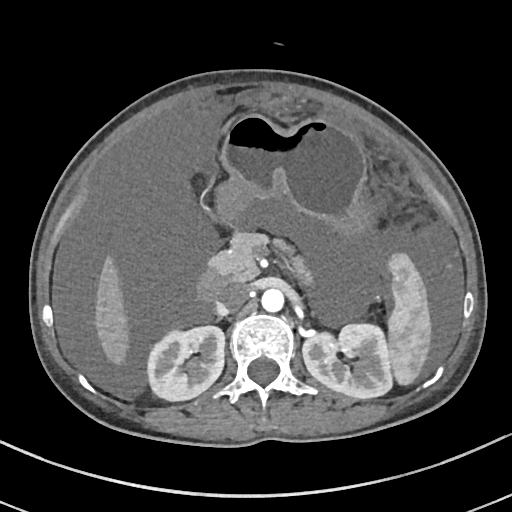
CT, abdomen/pelvis. Axial slice 154/237. 512x512 px
<organs><organ name="spleen" x1="387" y1="253" x2="431" y2="385"/><organ name="right kidney" x1="147" y1="326" x2="224" y2="400"/><organ name="left kidney" x1="302" y1="323" x2="392" y2="398"/><organ name="liver" x1="94" y1="257" x2="129" y2="365"/><organ name="stomach" x1="216" y1="114" x2="373" y2="237"/><organ name="aorta" x1="261" y1="288" x2="284" y2="312"/><organ name="inferior vena cava" x1="216" y1="285" x2="246" y2="314"/><organ name="pancreas" x1="209" y1="233" x2="311" y2="283"/><organ name="duodenum" x1="197" y1="269" x2="227" y2="301"/></organs>